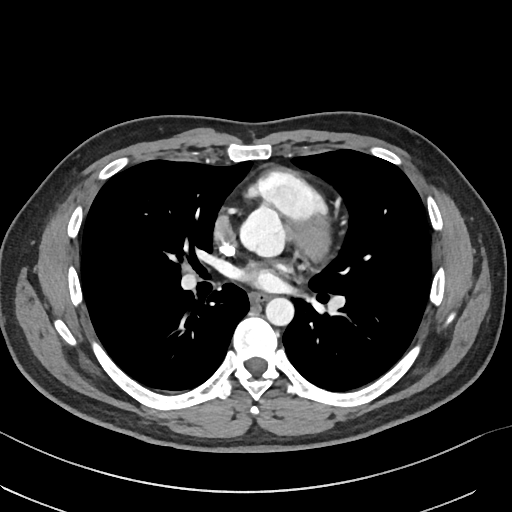
Chest-level slice from an abdominal CT that extends up into the chest — axial view — W/L 400/40 HU — 512x512 px
On a slice this high in the chest, this dataset labels only the esophagus and the aorta, and each is boxed only where it is labeled; the heart, lungs and other chest structures are not labeled.
{"organs":{"esophagus":[249,292,268,302],"aorta":[[239,207,284,256],[265,297,294,326]]}}